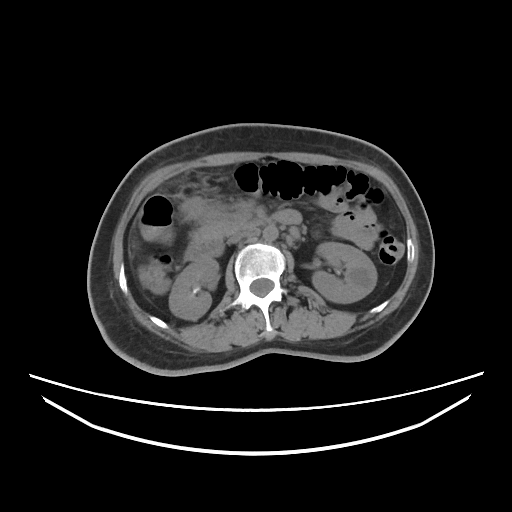
Abdominal CT — axial view — 512x512 px
Boxes: x1 y1 x2 y2 (pixel coords, space-separated). Labeled organs on this slice: pancreas at 220 221 249 235, right kidney at 169 258 218 319, left kidney at 311 242 376 303, stomach at 181 197 253 239, aorta at 263 225 278 241, inferior vena cava at 228 228 254 243, duodenum at 184 209 302 260.